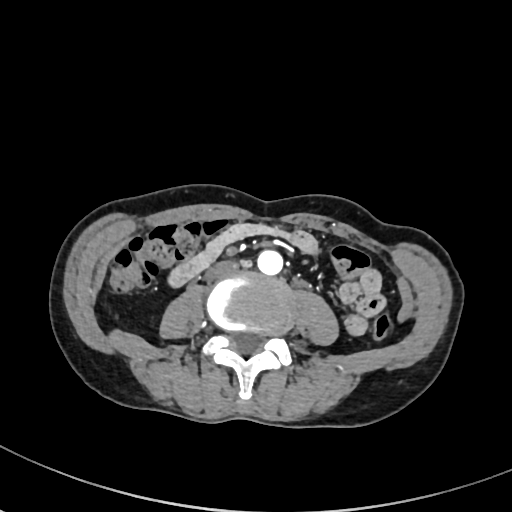 Abdominal CT; axial plane, index 112; W/L 400/40 HU; 512x512 px
Each box given as x1,y1,x2,y2.
aorta: x1=257, y1=249, x2=283, y2=275
inferior vena cava: x1=204, y1=260, x2=238, y2=280